Lower-chest slice from an abdominal CT, just above the liver and spleen. axial view. soft-tissue window (W 400 / L 40)
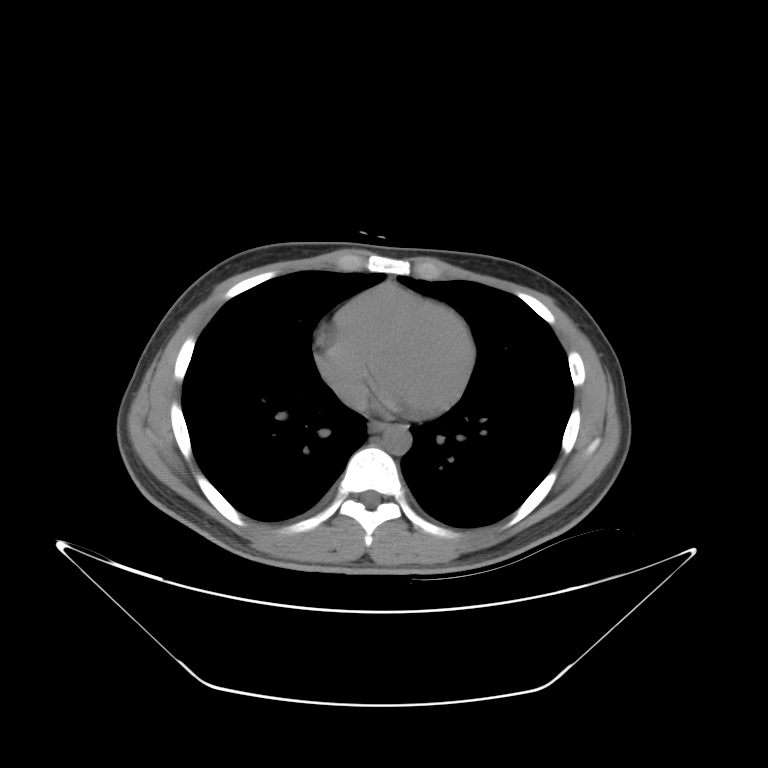

No part of the heart or lungs is labeled in this dataset, so neither has a box here.
{"organs":{"esophagus":[367,421,388,435],"aorta":[381,426,412,455],"inferior vena cava":[331,377,367,415]}}